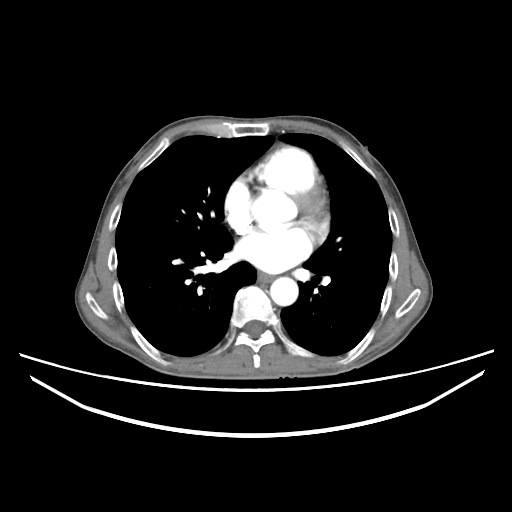

CT of the abdomen reaching into the lower chest, slice just above the liver and spleen · axial view · 50-year-old male patient
Of the structures in the chest, this dataset labels only the esophagus, the aorta and the inferior vena cava; the heart and lungs have no label.
<organs><organ name="esophagus" x1="259" y1="272" x2="273" y2="282"/><organ name="aorta" x1="270" y1="277" x2="298" y2="305"/></organs>